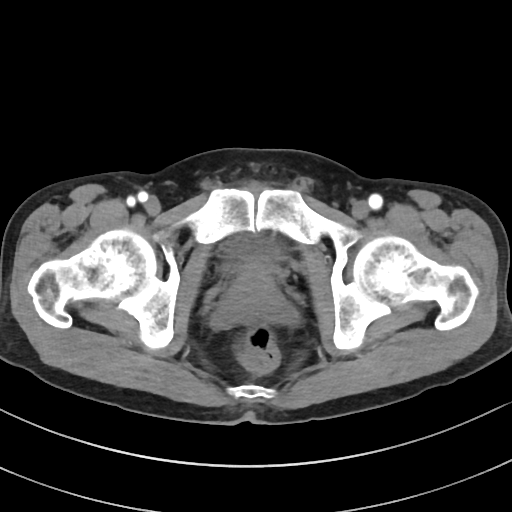 CT, abdomen/pelvis; Axial slice 11/89; W/L 400/40 HU; SOMATOM Force scanner; scan has 15 labeled organs (that count is for the whole scan; organs this slice misses have no box)
One row per box, in pixels: columns x1 and y1 give the top-left corner, x2 and y2 the bottom-right.
| organ | x1 | y1 | x2 | y2 |
|---|---|---|---|---|
| bladder | 219 | 234 | 277 | 263 |
| prostate/uterus | 226 | 264 | 282 | 316 |